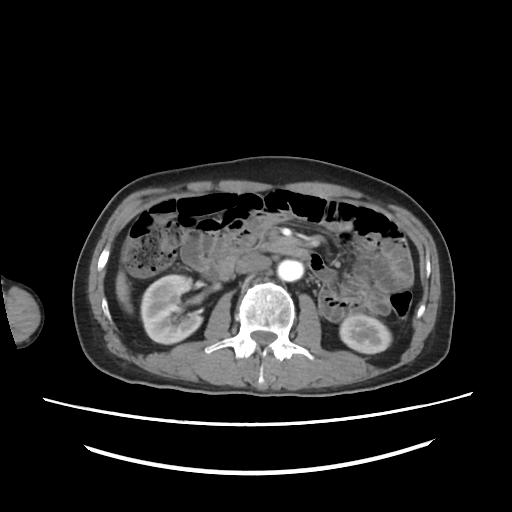 Abdominal CT. Axial slice 65/132. abdomen soft-tissue window. 61-year-old male patient
Bounding boxes as [x1, y1, x2, y2] in pixel coordinates. Labeled organs on this slice: right kidney at [141, 275, 201, 344], inferior vena cava at [234, 256, 270, 274], duodenum at [218, 244, 313, 279], pancreas at [263, 234, 264, 237], left kidney at [339, 314, 390, 354], liver at [115, 271, 132, 311], aorta at [278, 260, 303, 281].